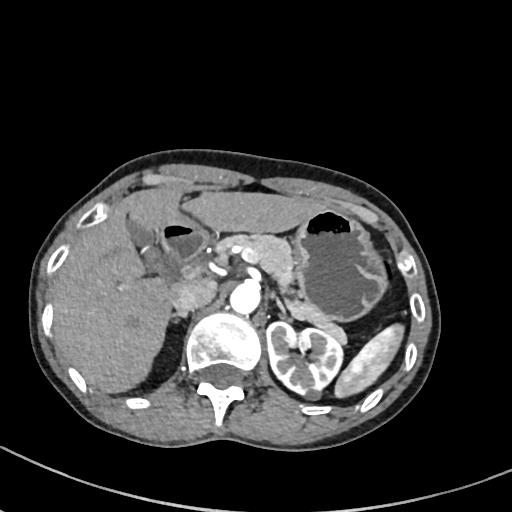
CT abdomen — Axial slice 164/207 — abdomen soft-tissue window — 512x512 px
Box edges are left/top/right/bottom in pixels. 11 labeled organs on this slice — spleen at left=334, top=324, right=403, bottom=397; left kidney at left=266, top=321, right=342, bottom=399; gall bladder at left=125, top=218, right=164, bottom=271; liver at left=51, top=186, right=328, bottom=392; stomach at left=166, top=207, right=386, bottom=320; aorta at left=230, top=281, right=260, bottom=313; inferior vena cava at left=172, top=277, right=216, bottom=312; pancreas at left=215, top=233, right=346, bottom=343; right adrenal gland at left=171, top=312, right=186, bottom=318; left adrenal gland at left=272, top=294, right=285, bottom=314; duodenum at left=160, top=224, right=208, bottom=266.